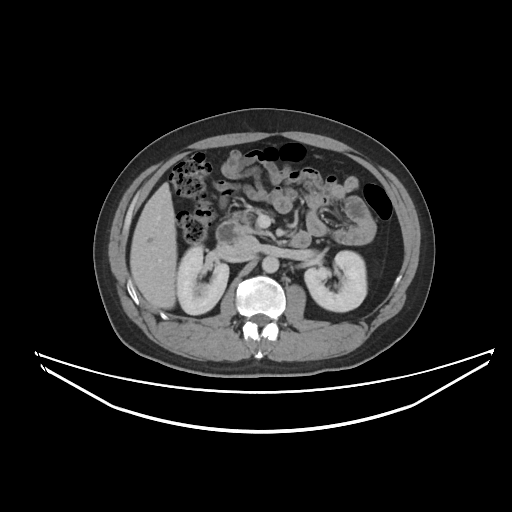

CT, abdomen/pelvis; axial view; 40-year-old male patient
Box edges are left/top/right/bottom in pixels.
duodenum: left=216, top=219, right=309, bottom=246
inferior vena cava: left=233, top=235, right=259, bottom=256
pancreas: left=238, top=213, right=268, bottom=235
right kidney: left=177, top=245, right=228, bottom=314
left kidney: left=304, top=251, right=366, bottom=311
liver: left=130, top=182, right=176, bottom=308
aorta: left=262, top=256, right=279, bottom=273